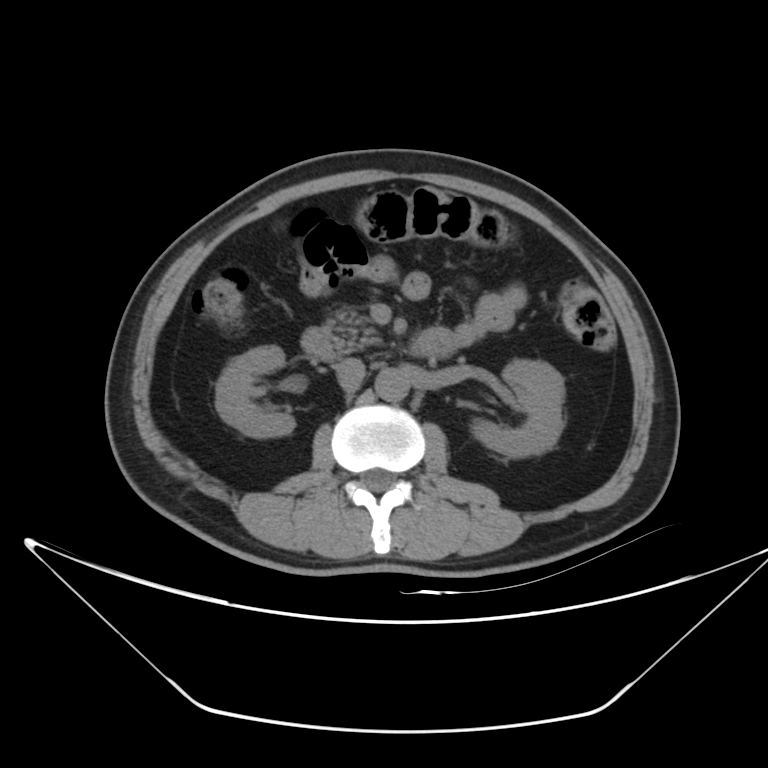

CT abdomen. axial view. 768x768 px
Each box given as x1,y1,x2,y2.
Organ bounding boxes:
- right kidney: x1=215, y1=346, x2=295, y2=437
- left kidney: x1=472, y1=360, x2=564, y2=457
- aorta: x1=375, y1=368, x2=409, y2=401
- inferior vena cava: x1=336, y1=357, x2=365, y2=390
- pancreas: x1=322, y1=307, x2=382, y2=352
- duodenum: x1=300, y1=327, x2=457, y2=362